CT, abdomen/pelvis — axial view
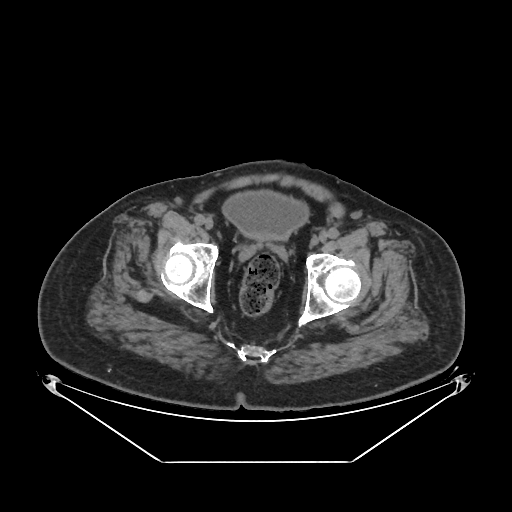
{"organs":{"bladder":[221,189,309,238]}}